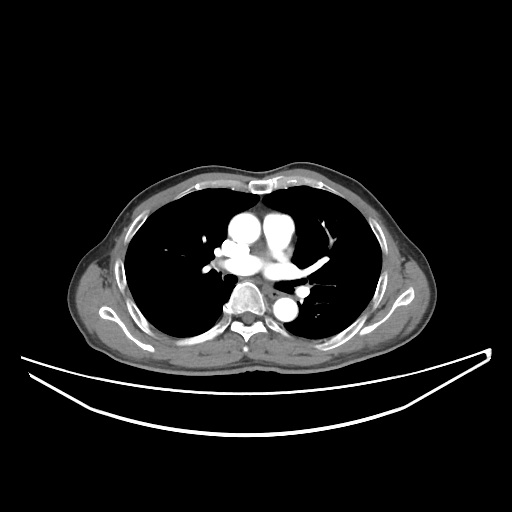

Abdominal CT reaching into the chest; this slice is in the chest. axial view. 62-year-old male patient. acquired on Aquilion ONE
At this level of the chest no structure but the esophagus and the aorta has a label in this dataset, and those two are boxed only where they are labeled. Boxes are (x1, y1, x2, y2) in pixels. 2 labeled organs on this slice — esophagus at (266, 286, 279, 296); aorta at (228, 213, 260, 244); aorta at (273, 297, 297, 321).